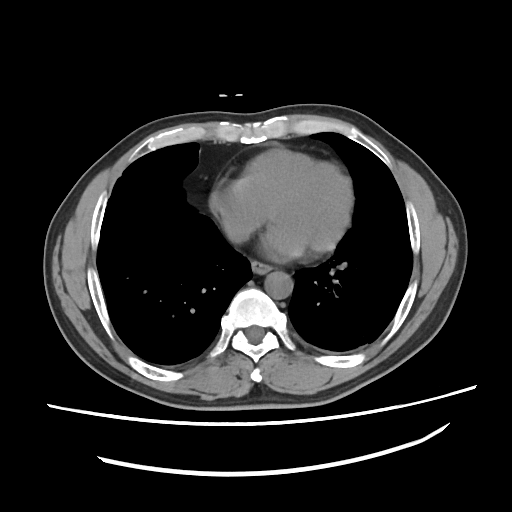

Abdominal CT; this slice is in the lower chest, just above the liver; Axial slice 92/92; W/L 400/40 HU
The heart and lungs are never labeled in this dataset, so they have no box on this slice.
{"organs":{"inferior vena cava":[222,221,248,243],"esophagus":[251,259,271,274],"aorta":[264,271,294,299]}}